CT, abdomen/pelvis · axial plane, index 124 · W/L 400/40 HU · 512x512 px
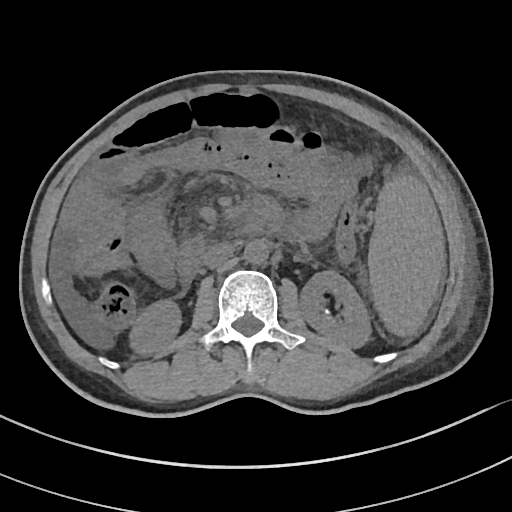 {"organs":{"spleen":[368,176,444,335],"right kidney":[130,300,181,355],"left kidney":[299,270,371,347],"aorta":[244,240,268,264],"inferior vena cava":[203,242,235,268],"duodenum":[178,233,203,282]}}